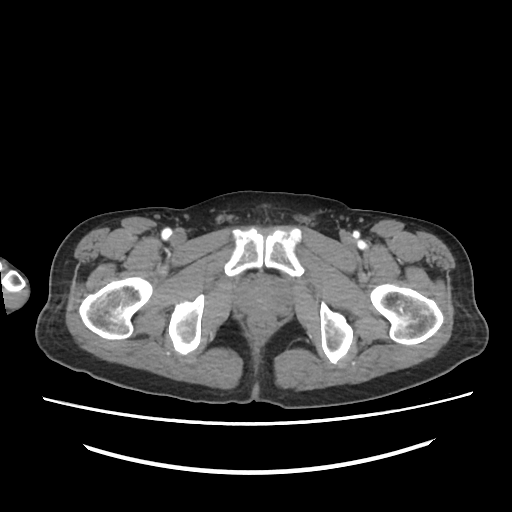
Computed tomography, abdomen — Axial slice 15/132 — 512x512 px — 14 organs annotated in this scan (counted over the whole 3D scan, not this slice; an organ is boxed only where this slice passes through it)
Boxes: x1:y1:x2:y2 in pixels. 1 labeled organ on this slice — prostate/uterus at 237:277:291:315.